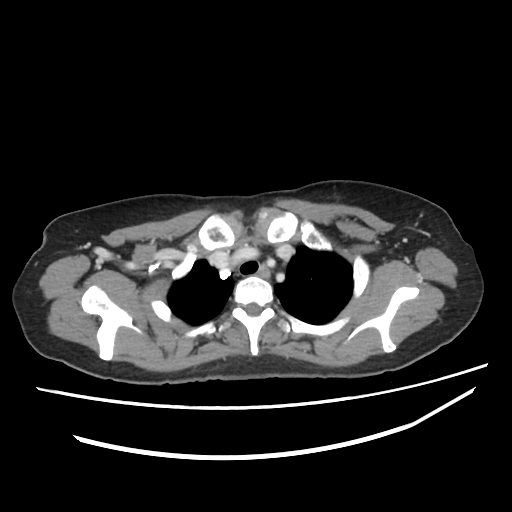

Chest-level CT slice, above the liver and spleen; axial view; 15 organs annotated in this scan (counted over the whole 3D scan, not this slice; an organ is boxed only where this slice passes through it)
At this level of the chest no structure but the esophagus and the aorta has a label in this dataset, and those two are boxed only where they are labeled.
{"organs":{"esophagus":[259,264,270,277]}}